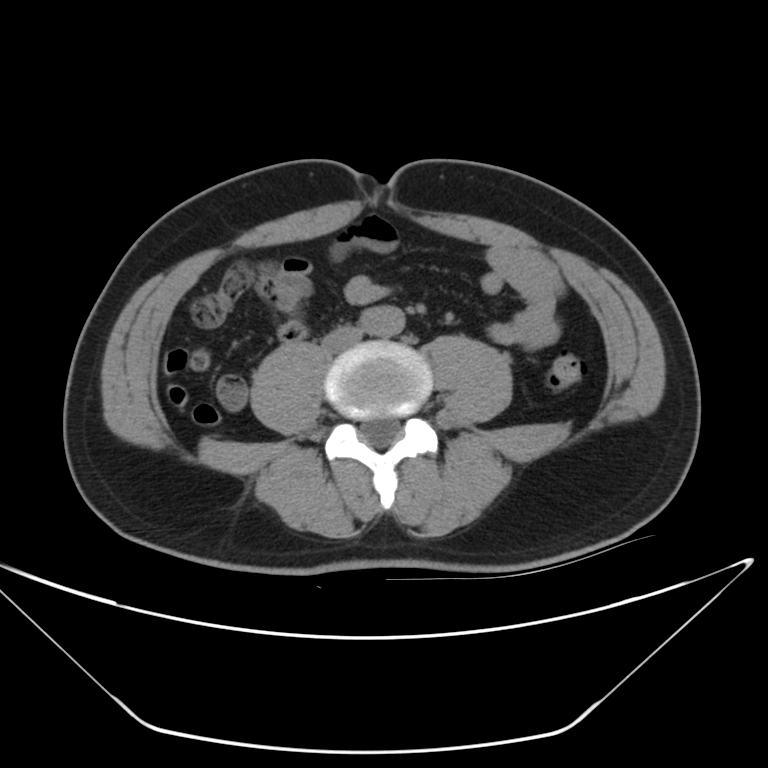
CT abdomen. axial view. abdomen soft-tissue window. Brilliance16 scanner
Bounding boxes as [x1, y1, x2, y2] in pixel coordinates.
Organ bounding boxes:
- aorta: [362, 307, 406, 336]
- inferior vena cava: [320, 329, 364, 351]